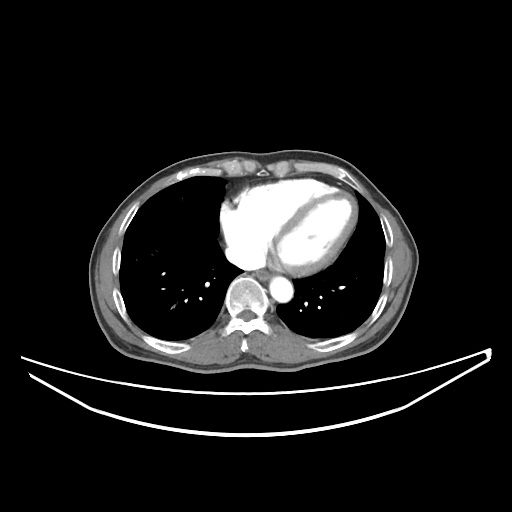
Abdominal CT; this slice is in the lower chest, just above the liver — axial view — 62-year-old male patient
Of the structures in the chest, this dataset labels only the esophagus, the aorta and the inferior vena cava; the heart and lungs have no label.
{"organs":{"esophagus":[255,270,270,280],"aorta":[269,277,293,302],"inferior vena cava":[225,245,255,268]}}